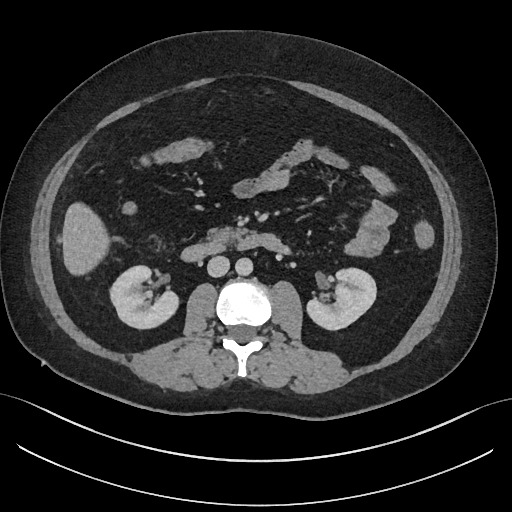
CT, abdomen/pelvis; axial view; scan has 15 labeled organs (counted over the whole 3D scan, not this slice; an organ is boxed only where this slice passes through it)
Each box given as x1,y1,x2,y2.
Organ bounding boxes:
- right kidney: x1=110, y1=266, x2=178, y2=329
- left kidney: x1=306, y1=268, x2=376, y2=330
- liver: x1=62, y1=202, x2=110, y2=275
- aorta: x1=235, y1=257, x2=252, y2=275
- inferior vena cava: x1=207, y1=256, x2=229, y2=277
- pancreas: x1=207, y1=227, x2=241, y2=249
- duodenum: x1=180, y1=234, x2=262, y2=262